CT, abdomen/pelvis; axial plane, index 145; abdomen soft-tissue window; 512x512 px; SOMATOM Force scanner
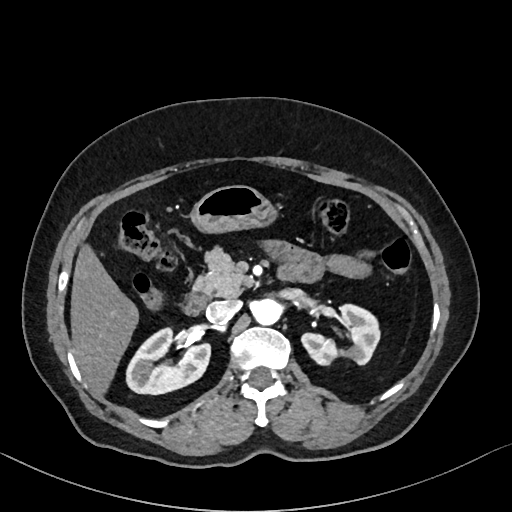

<organs><organ name="left kidney" x1="301" y1="304" x2="380" y2="365"/><organ name="stomach" x1="190" y1="185" x2="277" y2="233"/><organ name="duodenum" x1="183" y1="290" x2="208" y2="315"/><organ name="liver" x1="70" y1="244" x2="138" y2="395"/><organ name="pancreas" x1="193" y1="247" x2="252" y2="297"/><organ name="aorta" x1="252" y1="298" x2="282" y2="325"/><organ name="inferior vena cava" x1="206" y1="300" x2="238" y2="323"/><organ name="right kidney" x1="126" y1="328" x2="210" y2="394"/></organs>